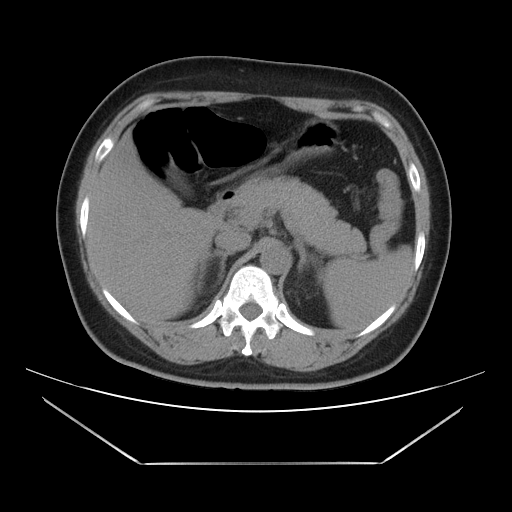 Abdominal CT; axial plane, index 71; soft-tissue window; SOMATOM Force scanner
Bounding boxes in pixels, one row per box: x1, y1 is the top-left corner and x2, y2 the bottom-right.
| organ | x1 | y1 | x2 | y2 |
|---|---|---|---|---|
| inferior vena cava | 215 | 230 | 250 | 252 |
| liver | 87 | 130 | 226 | 321 |
| aorta | 260 | 242 | 289 | 274 |
| pancreas | 231 | 177 | 365 | 257 |
| left adrenal gland | 296 | 242 | 307 | 272 |
| stomach | 289 | 119 | 338 | 158 |
| spleen | 320 | 245 | 412 | 331 |
| duodenum | 206 | 189 | 236 | 222 |
| right adrenal gland | 195 | 250 | 233 | 289 |
| gall bladder | 166 | 167 | 186 | 190 |